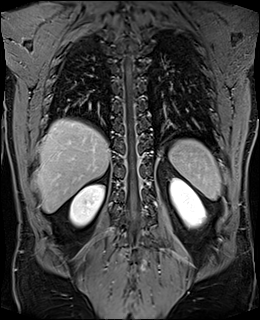 Magnetic resonance imaging, abdomen. Coronal slice 29/144
Each box given as x1,y1,x2,y2.
Organ bounding boxes:
- spleen: x1=168, y1=139, x2=221, y2=200
- right kidney: x1=70, y1=184, x2=104, y2=226
- left kidney: x1=170, y1=178, x2=206, y2=227
- liver: x1=36, y1=119, x2=110, y2=212